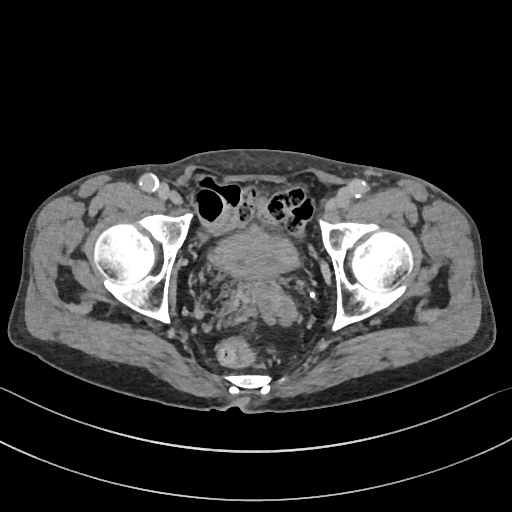
Abdominal CT · axial view · W/L 400/40 HU · 512x512 px · acquired on SOMATOM Force · scan has 15 labeled organs (that count is for the whole scan; organs this slice misses have no box)
{"organs":{"bladder":[208,226,299,272],"prostate/uterus":[234,259,274,281]}}